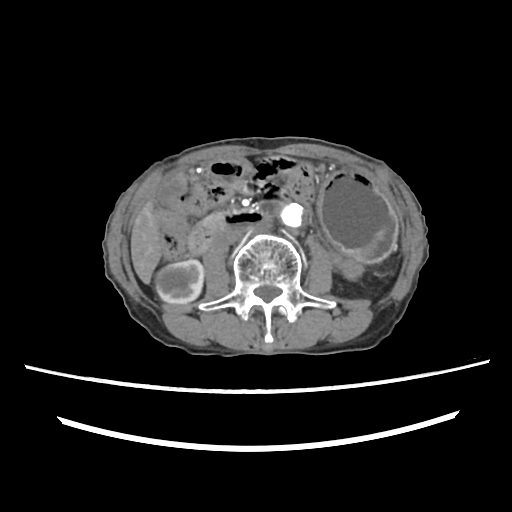 CT, abdomen/pelvis. axial view. Aquilion ONE scanner
Each box given as x1,y1,x2,y2. 8 labeled organs on this slice — right kidney at x1=156, y1=259, x2=203, y2=304; gall bladder at x1=158, y1=176, x2=184, y2=206; liver at x1=131, y1=202, x2=162, y2=283; stomach at x1=319, y1=170, x2=397, y2=263; aorta at x1=279, y1=203, x2=307, y2=229; inferior vena cava at x1=218, y1=227, x2=247, y2=244; pancreas at x1=202, y1=211, x2=224, y2=226; duodenum at x1=187, y1=159, x2=267, y2=254.